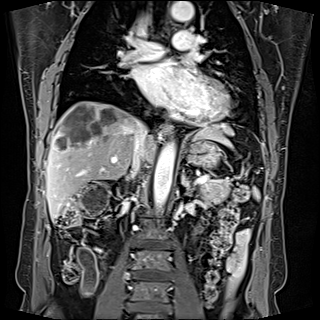

MRI, abdomen. coronal view. percentile-normalized. 320x320 px
Boxes are (x1, y1, x2, y2) in pixels.
Organ bounding boxes:
- spleen: (195, 126, 259, 198)
- pancreas: (200, 180, 231, 204)
- duodenum: (118, 194, 123, 195)
- aorta: (153, 142, 175, 211)
- aorta: (171, 1, 194, 21)
- esophagus: (162, 124, 172, 134)
- stomach: (184, 137, 222, 168)
- liver: (46, 101, 235, 221)
- inferior vena cava: (131, 120, 148, 177)
- left adrenal gland: (182, 171, 193, 191)